Abdominal CT · axial view · 512x512 px · 52-year-old female patient
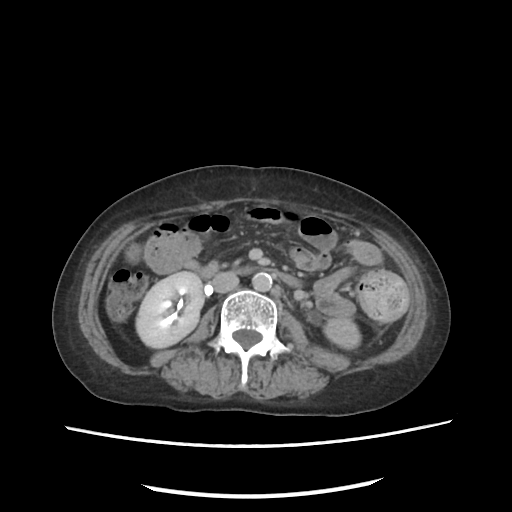

Box edges are left/top/right/bottom in pixels. 5 labeled organs on this slice — right kidney at left=136, top=271, right=203, bottom=348; left kidney at left=324, top=317, right=360, bottom=348; aorta at left=252, top=272, right=272, bottom=291; inferior vena cava at left=212, top=272, right=238, bottom=292; duodenum at left=234, top=266, right=300, bottom=288.